Abdominal CT — axial view — 512x512 px — Aquilion ONE scanner
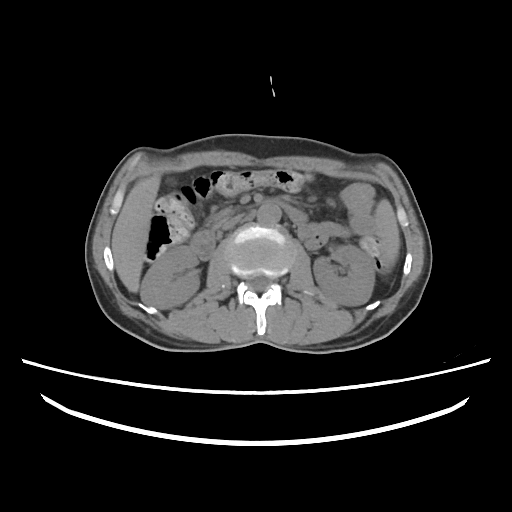 <organs><organ name="spleen" x1="374" y1="200" x2="399" y2="269"/><organ name="right kidney" x1="141" y1="246" x2="198" y2="309"/><organ name="left kidney" x1="313" y1="244" x2="373" y2="305"/><organ name="liver" x1="110" y1="174" x2="159" y2="292"/><organ name="aorta" x1="256" y1="202" x2="281" y2="227"/><organ name="inferior vena cava" x1="222" y1="213" x2="244" y2="230"/><organ name="duodenum" x1="191" y1="198" x2="307" y2="260"/></organs>